CT, abdomen/pelvis; axial view
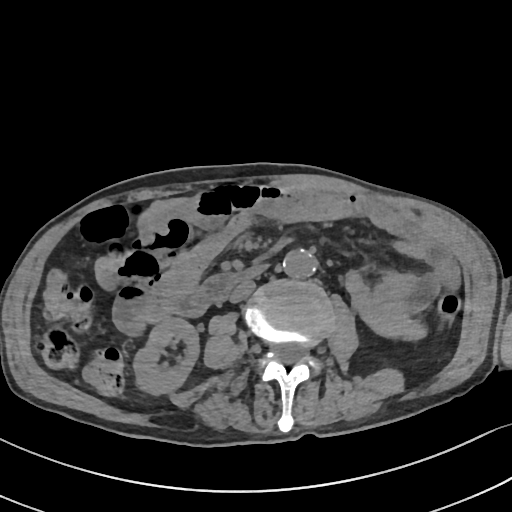
Boxes: x1 y1 x2 y2 (pixel coords, space-separated).
inferior vena cava: 228 280 255 303
duodenum: 172 262 270 316
right kidney: 131 316 198 396
aorta: 285 250 318 277